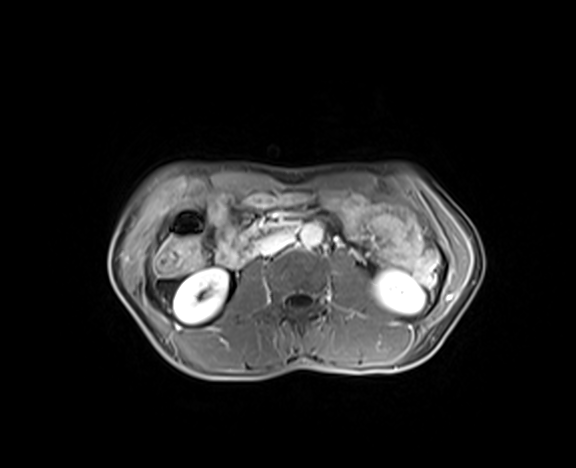
Abdominal MRI. Axial slice 24/72. 576x468 px
{"organs":{"right kidney":[173,267,228,323],"left kidney":[370,269,425,314],"aorta":[300,224,322,248],"inferior vena cava":[256,232,293,254],"duodenum":[222,222,298,267]}}